CT of the abdomen extending into the chest, slice through the chest. axial view. soft-tissue window (W 400 / L 40). scan has 14 labeled organs (counted over the whole 3D scan, not this slice; an organ is boxed only where this slice passes through it)
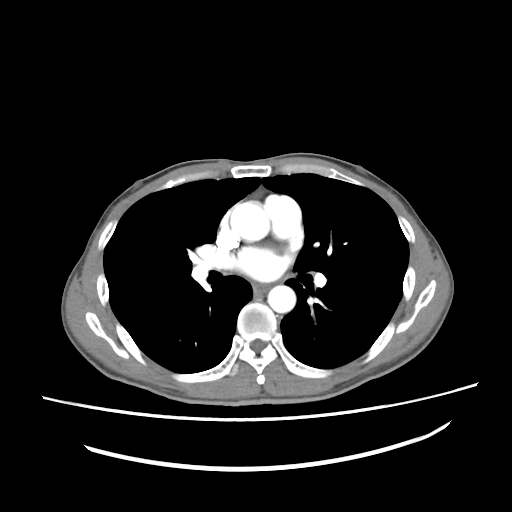

At this level of the chest no structure but the esophagus and the aorta has a label in this dataset, and those two are boxed only where they are labeled.
One row per box, in pixels: columns x1 and y1 give the top-left corner, x2 and y2 the bottom-right.
| organ | x1 | y1 | x2 | y2 |
|---|---|---|---|---|
| esophagus | 253 | 284 | 267 | 293 |
| aorta | 230 | 202 | 269 | 241 |
| aorta | 267 | 285 | 295 | 312 |